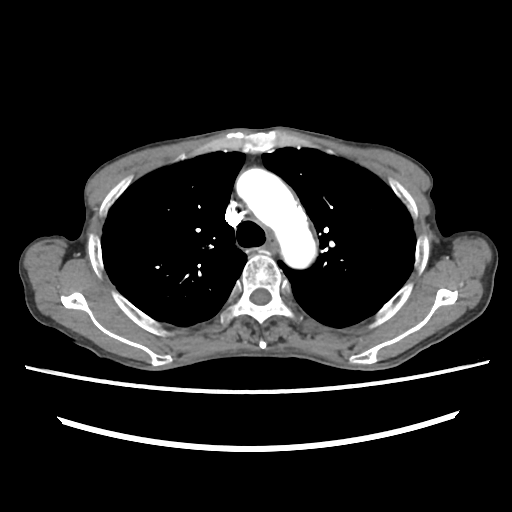
CT of the abdomen extending into the chest, slice through the chest · Axial slice 105/120 · 81-year-old male patient
At this level of the chest no structure but the esophagus and the aorta has a label in this dataset, and those two are boxed only where they are labeled.
{"organs":{"esophagus":[266,238,278,254],"aorta":[236,168,316,268]}}